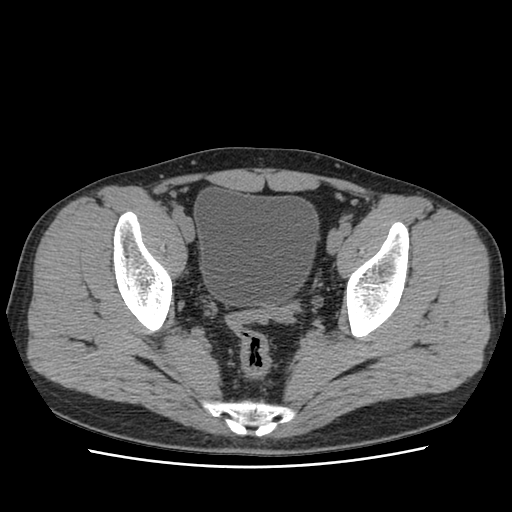
CT abdomen. axial view. soft-tissue window. SOMATOM Force scanner
Box edges are left/top/right/bottom in pixels.
bladder: left=194, top=187, right=318, bottom=305